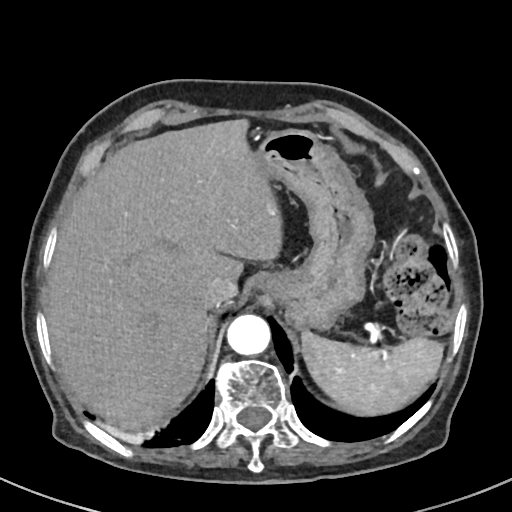

Abdominal CT · axial view · soft-tissue window
Each box given as x1,y1,x2,y2.
Organ bounding boxes:
- aorta: x1=226, y1=315, x2=270, y2=355
- stomach: x1=252, y1=129, x2=374, y2=330
- spleen: x1=302, y1=330, x2=441, y2=414
- liver: x1=45, y1=118, x2=281, y2=426
- inferior vena cava: x1=202, y1=274, x2=236, y2=307